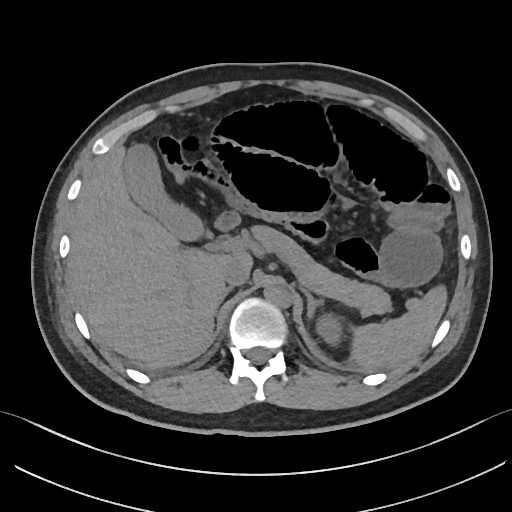

CT abdomen · axial view · W/L 400/40 HU · 512x512 px · 15 organs annotated in this scan (counted over the whole 3D scan, not this slice; an organ is boxed only where this slice passes through it)
{"organs":{"spleen":[350,285,447,368],"left kidney":[316,314,341,345],"gall bladder":[123,144,203,240],"liver":[67,144,252,366],"aorta":[264,284,292,307],"inferior vena cava":[221,260,248,287],"pancreas":[251,225,391,314],"right adrenal gland":[216,287,233,304],"left adrenal gland":[303,289,323,318],"duodenum":[215,210,240,231]}}